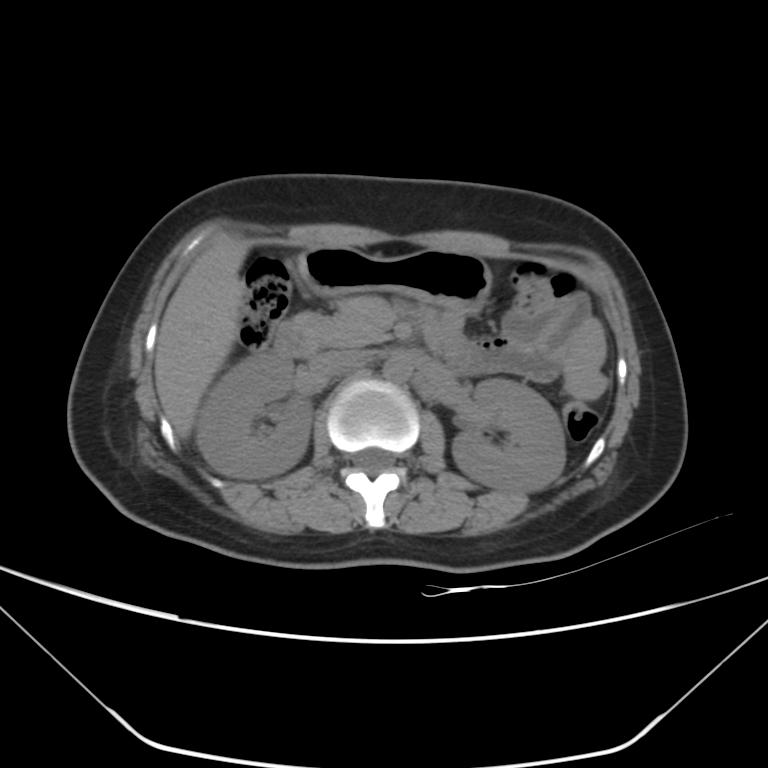 Abdominal CT. axial plane, index 57. soft-tissue window (W 400 / L 40). 32-year-old female patient
Coordinates as <box>x1,y1,x2,y2</box> in pixels.
right kidney: <box>196,350,312,478</box>
left kidney: <box>452,377,566,491</box>
liver: <box>154,237,248,437</box>
stomach: <box>296,245,491,314</box>
aorta: <box>382,354,412,383</box>
inferior vena cava: <box>320,350,366,373</box>
pancreas: <box>294,296,388,346</box>
duodenum: <box>274,320,317,358</box>